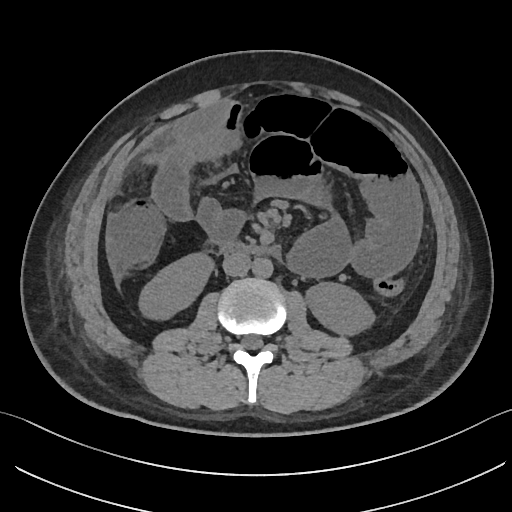
Abdominal CT — Axial slice 132/234 — 512x512 px — 15 organs annotated in this scan (a whole-scan count: organs this slice does not pass through have no box)
One row per box, in pixels: columns x1 and y1 give the top-left corner, x2 and y2 the bottom-right.
| organ | x1 | y1 | x2 | y2 |
|---|---|---|---|---|
| right kidney | 140 | 254 | 211 | 317 |
| left kidney | 307 | 281 | 374 | 336 |
| aorta | 252 | 257 | 273 | 277 |
| inferior vena cava | 222 | 252 | 250 | 276 |
| duodenum | 220 | 243 | 277 | 255 |